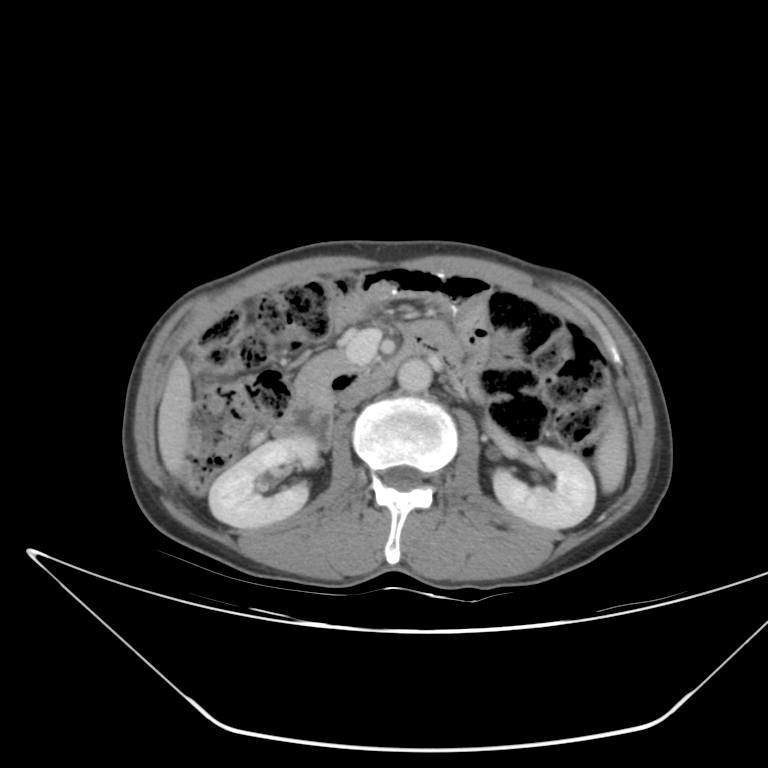
Computed tomography, abdomen — Axial slice 32/104 — 768x768 px — 62-year-old male patient — scan has 13 labeled organs (counted over the whole 3D scan, not this slice; an organ is boxed only where this slice passes through it)
Each box given as x1,y1,x2,y2. 8 labeled organs on this slice — duodenum at x1=275, y1=338, x2=463, y2=447; right kidney at x1=208, y1=438, x2=320, y2=529; spleen at x1=599, y1=402, x2=630, y2=490; pancreas at x1=297, y1=348, x2=357, y2=407; left kidney at x1=492, y1=445, x2=595, y2=528; aorta at x1=398, y1=358, x2=432, y2=393; inferior vena cava at x1=338, y1=377, x2=391, y2=410; liver at x1=159, y1=361, x2=194, y2=479.